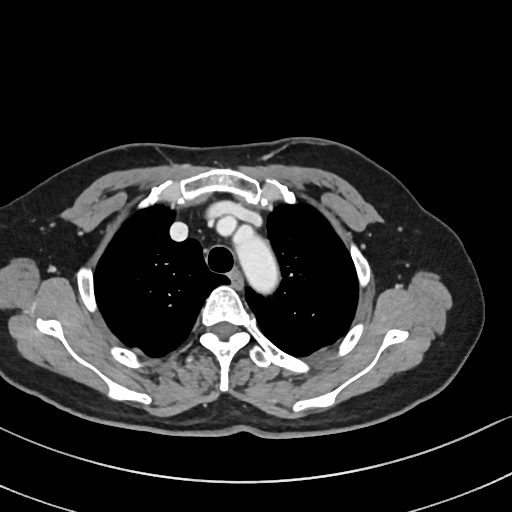 CT of the abdomen extending into the chest, slice through the chest; axial view; W/L 400/40 HU; 512x512 px; 14 organs annotated in this scan (a whole-scan count: organs this slice does not pass through have no box)
At this level of the chest this dataset labels only the esophagus and the aorta, and each is boxed only where it is labeled; the heart and lungs are never labeled.
One row per box, in pixels: columns x1 and y1 give the top-left corner, x2 and y2 the bottom-right.
| organ | x1 | y1 | x2 | y2 |
|---|---|---|---|---|
| esophagus | 231 | 272 | 241 | 285 |
| aorta | 234 | 240 | 276 | 289 |